Chest-level slice from an abdominal CT that extends up into the chest — axial view — soft-tissue window, W/L 400/40 — 15 organs annotated in this scan (counted over the whole 3D scan, not this slice; an organ is boxed only where this slice passes through it)
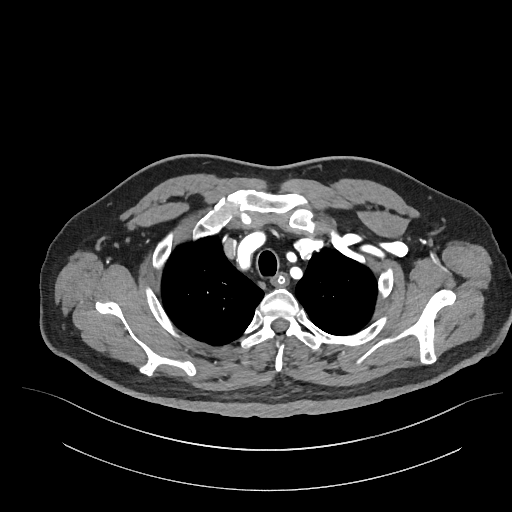
At this level of the chest this dataset labels only the esophagus and the aorta, and each is boxed only where it is labeled; the heart and lungs are never labeled.
Coordinates as <box>x1,y1,x2,y2</box> in pixels.
Organ bounding boxes:
- esophagus: <box>274,274,286,285</box>